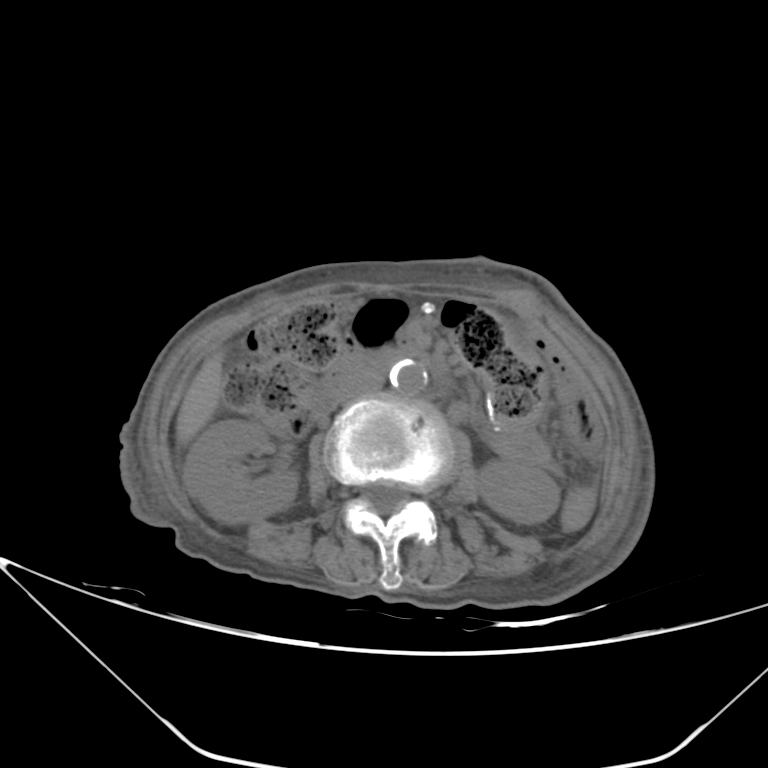

Computed tomography, abdomen · axial view · abdomen soft-tissue window
{"organs":{"right kidney":[183,419,296,523],"left kidney":[478,460,560,523],"liver":[175,353,223,445],"aorta":[389,360,427,394],"inferior vena cava":[339,370,383,403],"duodenum":[309,345,425,420]}}